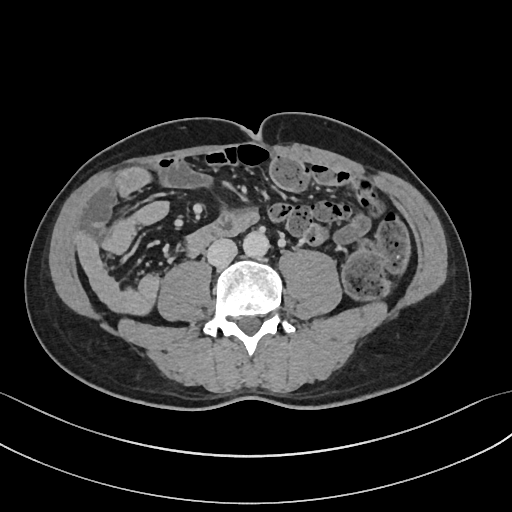

Computed tomography, abdomen — axial plane, index 118 — abdomen soft-tissue window — 512x512 px — acquired on SOMATOM Force
Bounding boxes in pixels, one row per box: x1, y1 is the top-left corner and x2, y2 the bottom-right.
| organ | x1 | y1 | x2 | y2 |
|---|---|---|---|---|
| aorta | 243 | 231 | 269 | 258 |
| inferior vena cava | 207 | 239 | 237 | 266 |